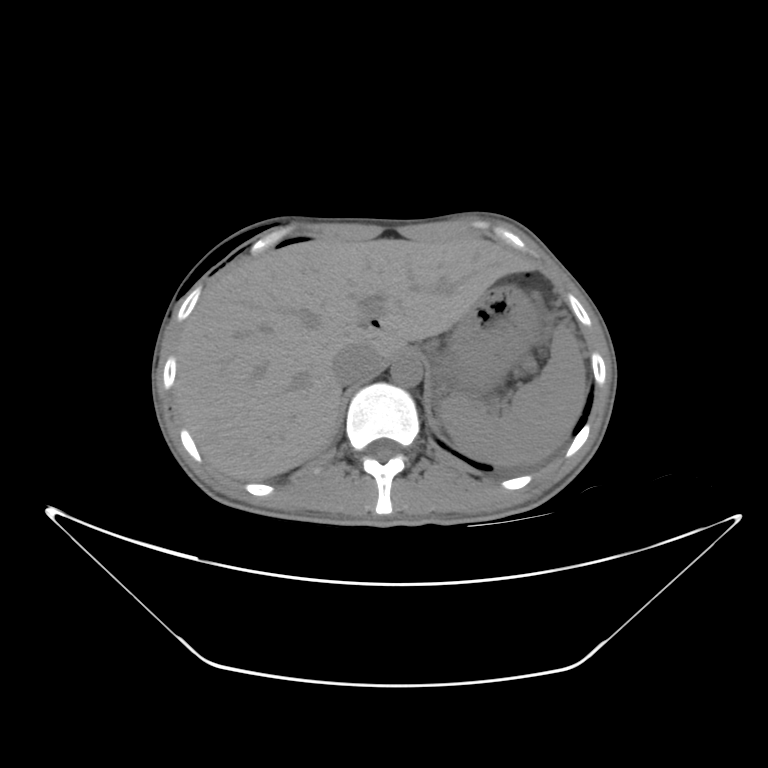 CT abdomen; axial view; 768x768 px
Each box given as x1,y1,x2,y2.
spleen: x1=443, y1=325, x2=587, y2=465
liver: x1=176, y1=238, x2=529, y2=480
stomach: x1=447, y1=281, x2=536, y2=386
aorta: x1=390, y1=355, x2=421, y2=387
inferior vena cava: x1=330, y1=342, x2=381, y2=381